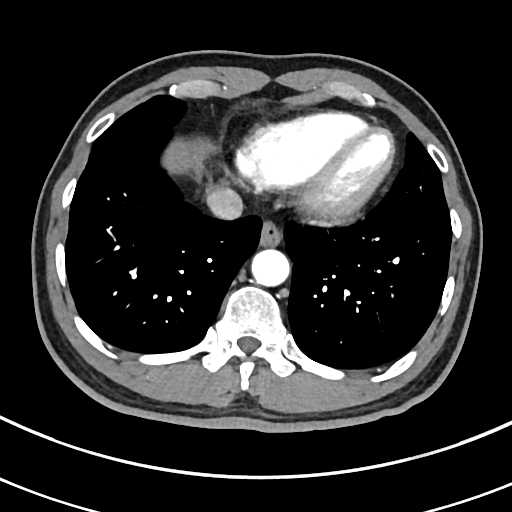

Computed tomography, abdomen; axial view; W/L 400/40 HU; acquired on SOMATOM Force
Coordinates as <box>x1,y1,x2,y2</box> in pixels.
Organ bounding boxes:
- esophagus: <box>259,221,282,246</box>
- liver: <box>162,141,196,173</box>
- aorta: <box>251,249,290,286</box>
- inferior vena cava: <box>206,188,243,220</box>